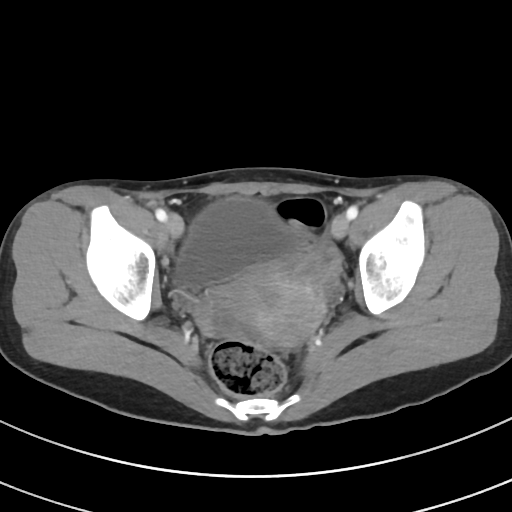

Computed tomography, abdomen. axial view. abdomen soft-tissue window
Box edges are left/top/right/bottom in pixels.
bladder: left=175, top=197, right=304, bottom=288
prostate/uterus: left=222, top=263, right=325, bottom=347